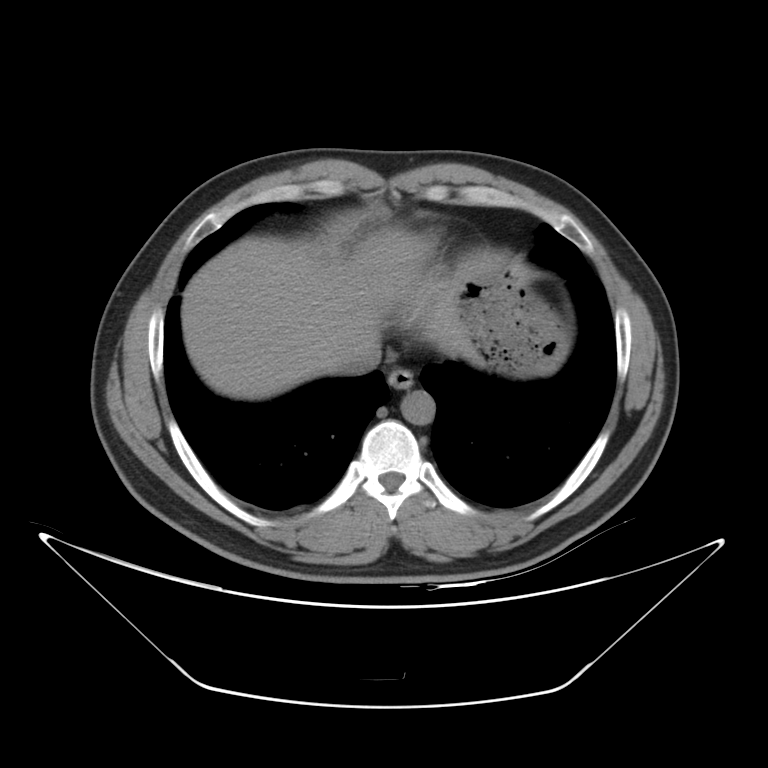

CT abdomen · axial view · W/L 400/40 HU
{"organs":{"esophagus":[387,367,412,389],"liver":[181,230,470,399],"stomach":[449,252,566,376],"aorta":[400,390,435,425],"inferior vena cava":[338,337,381,372]}}